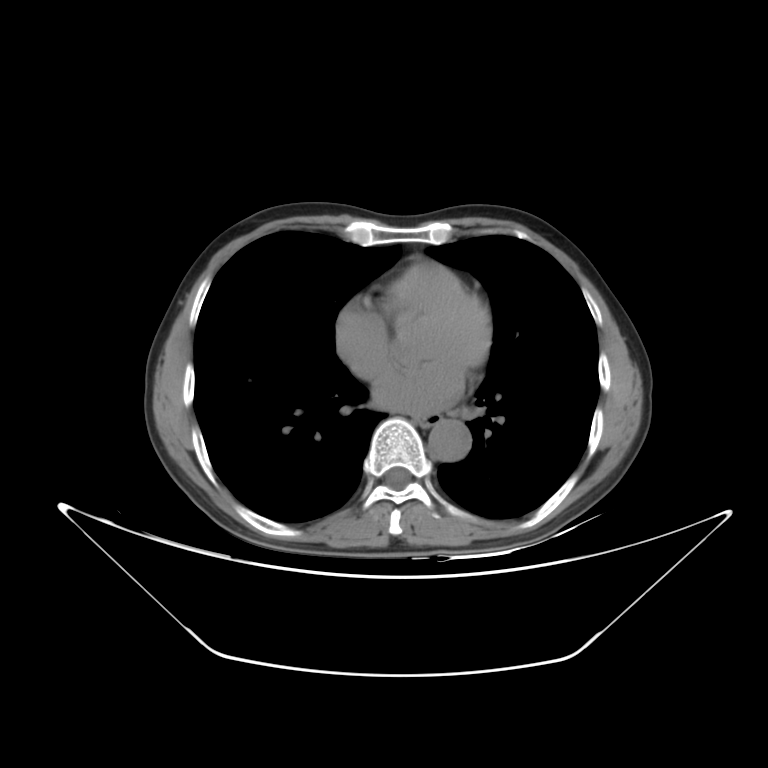 Abdominal CT; this slice is in the lower chest, just above the liver — axial plane, index 98 — soft-tissue window, W/L 400/40 — 768x768 px — 52-year-old male patient — scan has 14 labeled organs (that count is for the whole scan; organs this slice misses have no box)
The heart and lungs are never labeled in this dataset, so they have no box on this slice. Boxes are (x1, y1, x2, y2) in pixels. The annotated organs in this slice are: esophagus at (417, 413, 440, 425), aorta at (428, 419, 471, 461).